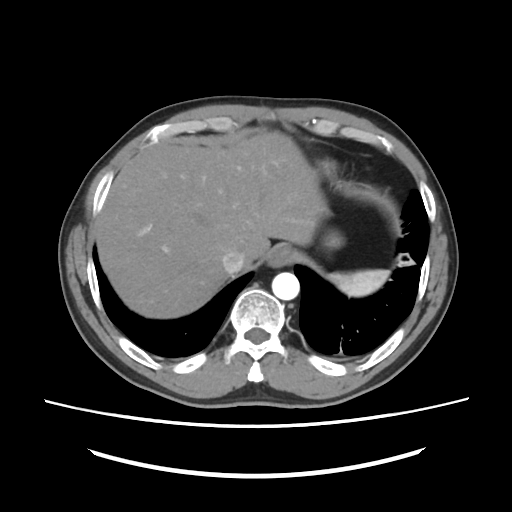

CT, abdomen/pelvis. axial view. soft-tissue window (W 400 / L 40). 512x512 px. 46-year-old male patient. scan has 15 labeled organs (counted over the whole 3D scan, not this slice; an organ is boxed only where this slice passes through it)
{"organs":{"spleen":[329,270,389,296],"esophagus":[267,244,293,267],"liver":[95,131,326,318],"stomach":[322,231,343,249],"aorta":[272,272,299,300],"inferior vena cava":[222,249,245,273]}}